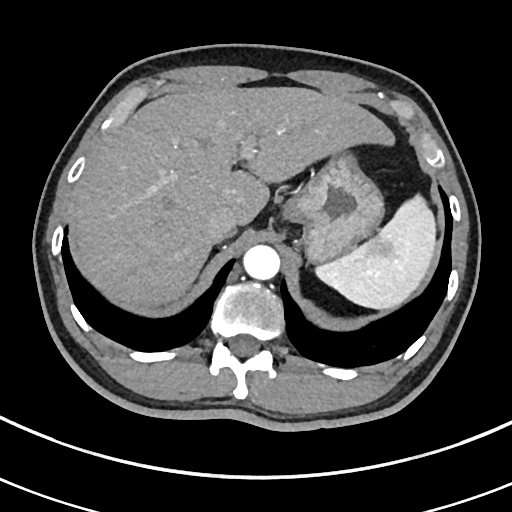 CT abdomen. Axial slice 166/302. W/L 400/40 HU. 512x512 px
<organs><organ name="stomach" x1="283" y1="153" x2="384" y2="261"/><organ name="liver" x1="76" y1="87" x2="394" y2="308"/><organ name="inferior vena cava" x1="205" y1="206" x2="236" y2="242"/><organ name="spleen" x1="316" y1="195" x2="435" y2="309"/><organ name="aorta" x1="243" y1="245" x2="279" y2="279"/></organs>